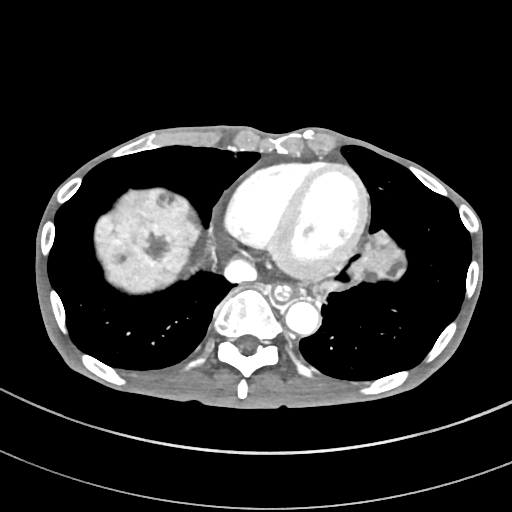
CT, abdomen/pelvis — axial plane, index 207 — abdomen soft-tissue window — 512x512 px
{"organs":{"esophagus":[273,285,292,302],"liver":[96,188,407,303],"aorta":[285,301,319,335],"inferior vena cava":[224,259,257,283]}}